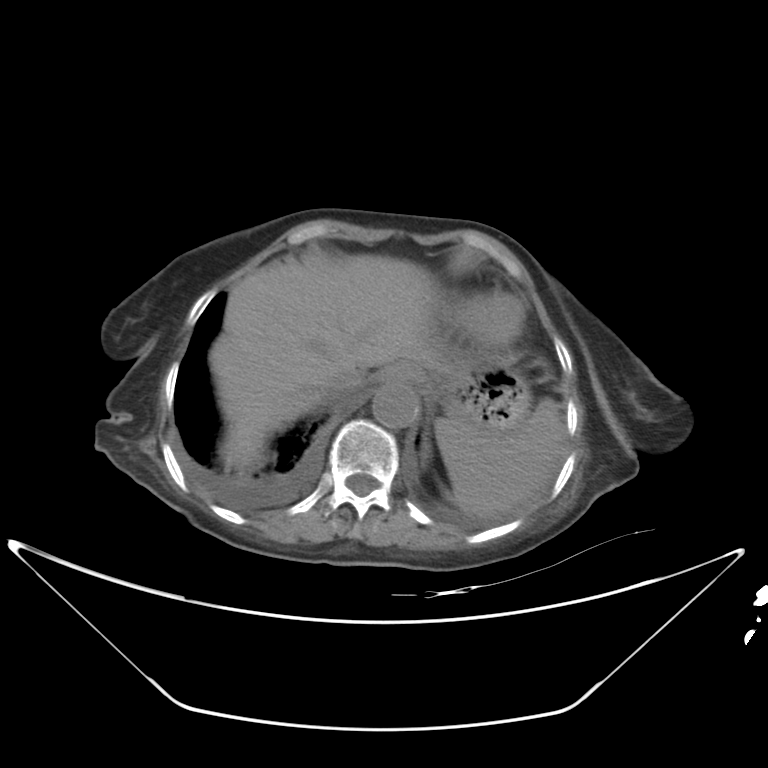
CT abdomen · axial view · female patient aged 90 or older · acquired on Brilliance16
<organs><organ name="stomach" x1="383" y1="359" x2="531" y2="431"/><organ name="aorta" x1="373" y1="384" x2="419" y2="429"/><organ name="inferior vena cava" x1="322" y1="369" x2="366" y2="400"/><organ name="spleen" x1="435" y1="399" x2="565" y2="518"/><organ name="liver" x1="210" y1="254" x2="456" y2="470"/><organ name="esophagus" x1="377" y1="372" x2="395" y2="383"/></organs>